CT, abdomen/pelvis; axial plane, index 148; soft-tissue window (W 400 / L 40)
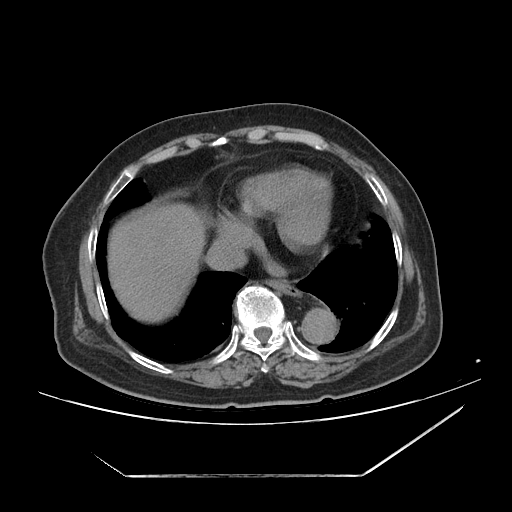

Coordinates as <box>x1,y1,x2,y2</box> in pixels.
esophagus: <box>269,280,300,296</box>
liver: <box>108,202,205,322</box>
aorta: <box>301,308,337,343</box>
inferior vena cava: <box>205,239,246,270</box>